CT, abdomen/pelvis; axial view; abdomen soft-tissue window; scan has 15 labeled organs (counted over the whole 3D scan, not this slice; an organ is boxed only where this slice passes through it)
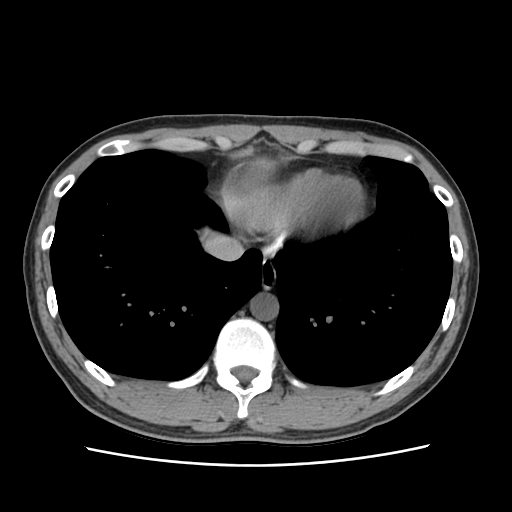 One row per box, in pixels: columns x1 and y1 give the top-left corner, x2 and y2 the bottom-right.
| organ | x1 | y1 | x2 | y2 |
|---|---|---|---|---|
| esophagus | 261 | 264 | 276 | 289 |
| liver | 224 | 161 | 290 | 229 |
| aorta | 250 | 293 | 278 | 320 |
| inferior vena cava | 204 | 233 | 244 | 261 |